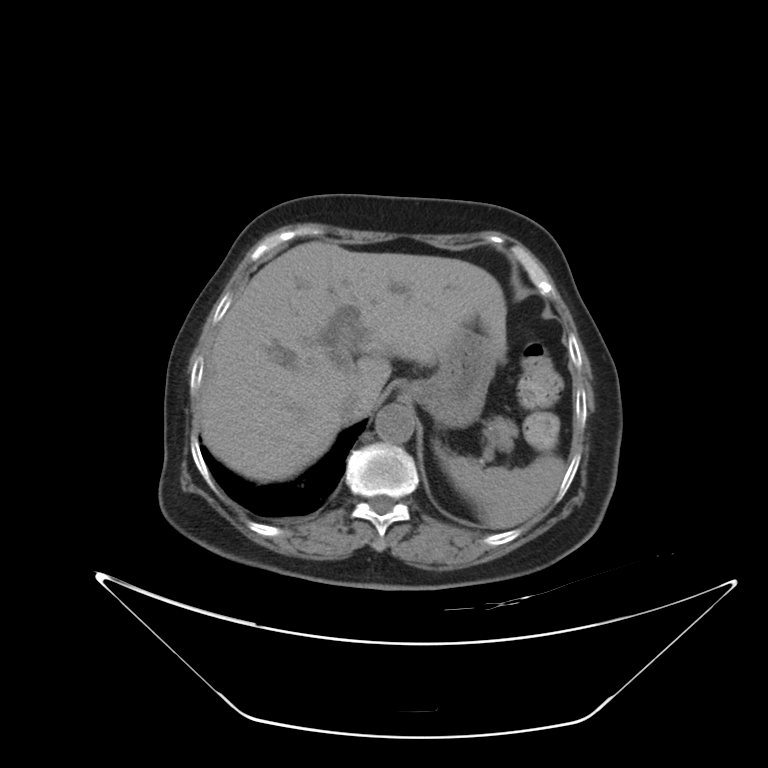 Abdominal CT — axial view — 78-year-old female patient — scan has 15 labeled organs (a whole-scan count: organs this slice does not pass through have no box)
Boxes are (x1, y1, x2, y2) in pixels.
Organ bounding boxes:
- spleen: (435, 442, 565, 529)
- liver: (197, 242, 506, 482)
- stomach: (401, 327, 497, 428)
- aorta: (376, 404, 414, 443)
- inferior vena cava: (337, 392, 365, 422)
- pancreas: (484, 417, 518, 452)